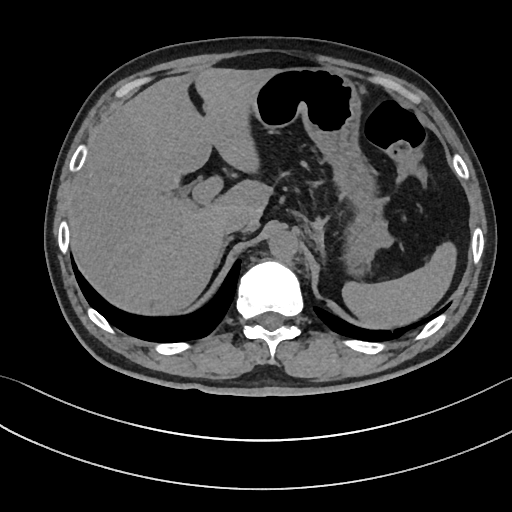

CT abdomen — Axial slice 182/231 — W/L 400/40 HU
<organs><organ name="right adrenal gland" x1="216" y1="238" x2="231" y2="265"/><organ name="stomach" x1="254" y1="68" x2="391" y2="274"/><organ name="spleen" x1="342" y1="243" x2="454" y2="326"/><organ name="liver" x1="69" y1="68" x2="279" y2="313"/><organ name="aorta" x1="268" y1="230" x2="297" y2="259"/><organ name="inferior vena cava" x1="223" y1="209" x2="249" y2="233"/></organs>